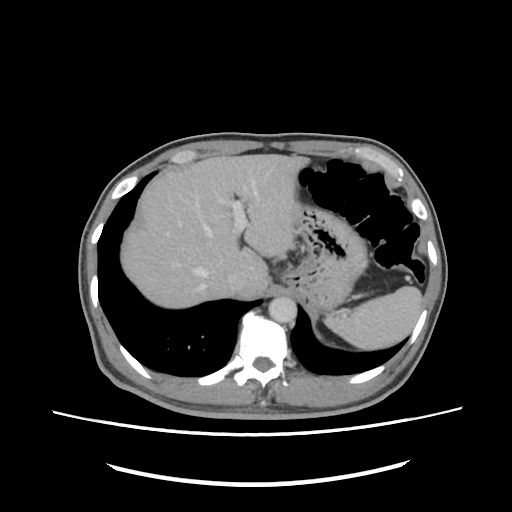

Abdominal CT · axial view · 54-year-old male patient
Bounding boxes in pixels, one row per box: x1, y1 is the top-left corner and x2, y2 the bottom-right.
| organ | x1 | y1 | x2 | y2 |
|---|---|---|---|---|
| spleen | 325 | 286 | 422 | 349 |
| liver | 121 | 154 | 309 | 308 |
| inferior vena cava | 224 | 270 | 250 | 293 |
| aorta | 268 | 296 | 296 | 322 |
| stomach | 283 | 204 | 366 | 312 |